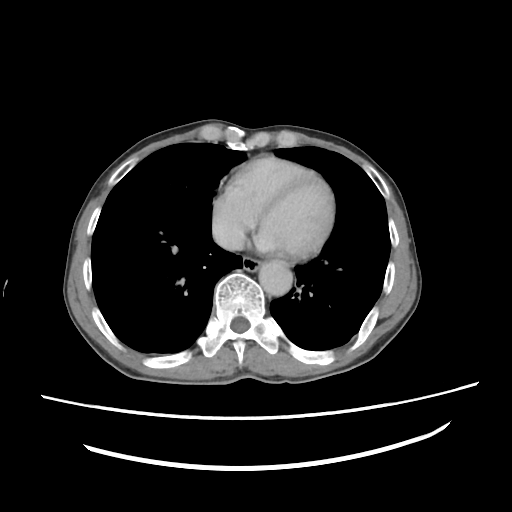

Lower-chest slice from an abdominal CT, just above the liver and spleen; axial plane, index 83; 72-year-old male patient; scan has 15 labeled organs (a whole-scan count: organs this slice does not pass through have no box)
The heart and lungs are never labeled in this dataset, so they have no box on this slice.
<organs><organ name="esophagus" x1="242" y1="255" x2="262" y2="270"/><organ name="aorta" x1="258" y1="259" x2="294" y2="295"/><organ name="inferior vena cava" x1="212" y1="221" x2="246" y2="251"/></organs>